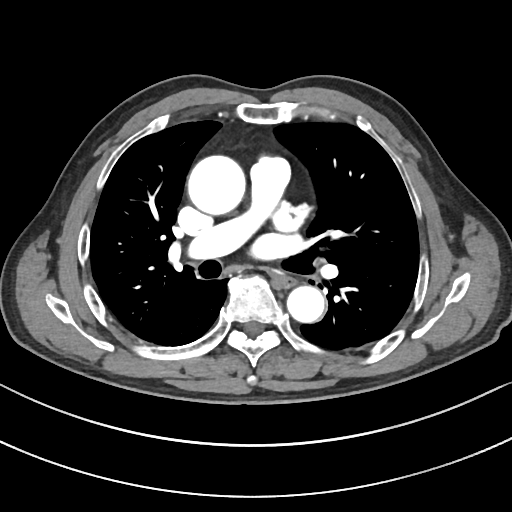 CT of the abdomen extending into the chest, slice through the chest; axial view; 15 organs annotated in this scan (a whole-scan count: organs this slice does not pass through have no box)
At this level of the chest no structure but the esophagus and the aorta has a label in this dataset, and those two are boxed only where they are labeled. Each box given as x1,y1,x2,y2. Labeled organs on this slice: esophagus at x1=273, y1=274, x2=296, y2=287, aorta at x1=187, y1=155, x2=245, y2=215, aorta at x1=287, y1=286, x2=324, y2=322.